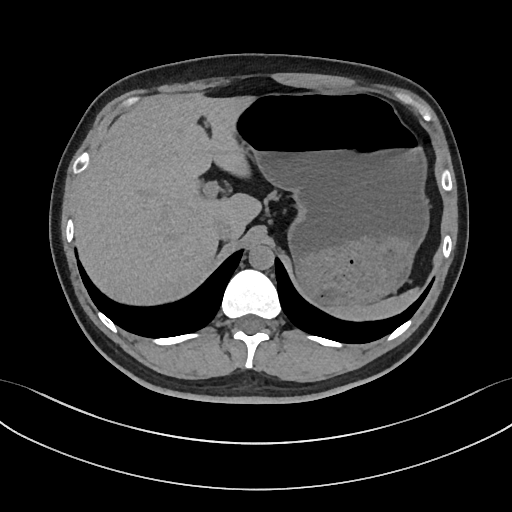 Abdominal CT. axial view. soft-tissue window. 15 organs annotated in this scan (a whole-scan count: organs this slice does not pass through have no box)
{"organs":{"spleen":[331,287,418,322],"inferior vena cava":[212,218,232,239],"liver":[74,93,260,306],"stomach":[231,93,427,306],"aorta":[248,244,274,269]}}